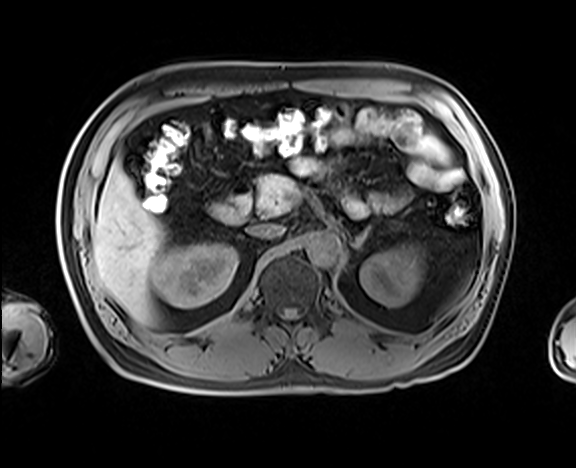 MRI, abdomen; axial view; 13 organs annotated in this scan (counted over the whole 3D scan, not this slice; an organ is boxed only where this slice passes through it)
{"organs":{"right kidney":[153,243,237,308],"left kidney":[360,245,422,306],"liver":[92,157,165,324],"aorta":[305,233,340,264],"inferior vena cava":[248,224,284,238],"pancreas":[256,174,296,215],"left adrenal gland":[353,226,370,249],"duodenum":[211,182,250,224]}}